Chest-level slice from an abdominal CT that extends up into the chest · axial view · SOMATOM Force scanner
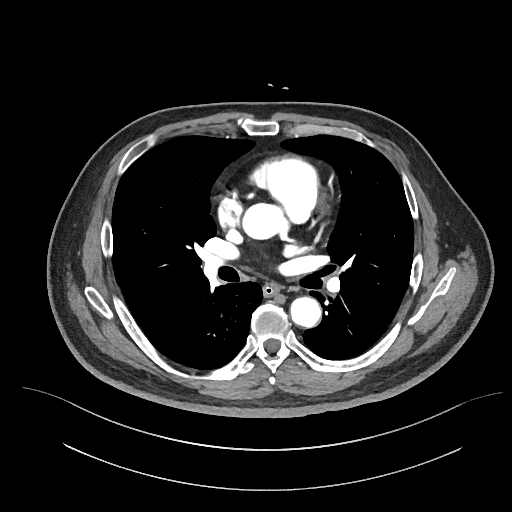
At this level of the chest this dataset labels only the esophagus and the aorta, and each is boxed only where it is labeled; the heart and lungs are never labeled. Boxes: x1:y1:x2:y2 in pixels. Labeled organs on this slice: esophagus at 263:283:279:296, aorta at 241:203:283:239, aorta at 290:297:321:327.